CT abdomen; Axial slice 200/219; soft-tissue window; 512x512 px; 15 organs annotated in this scan (that count is for the whole scan; organs this slice misses have no box)
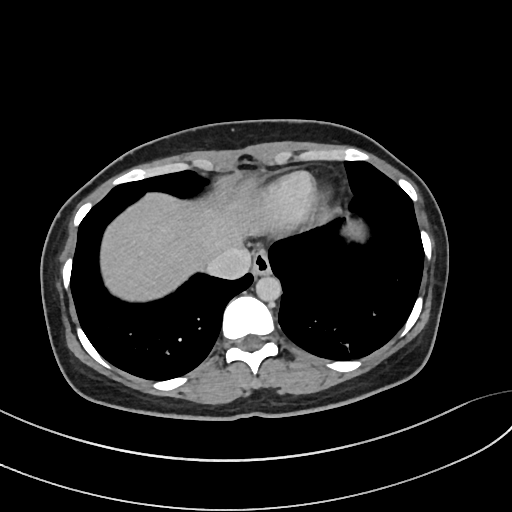
Boxes are (x1, y1, x2, y2) in pixels. The annotated organs in this slice are: aorta at (256, 275, 281, 302), inferior vena cava at (206, 244, 251, 280), esophagus at (252, 251, 271, 275), liver at (101, 178, 268, 301).